Abdominal CT reaching into the chest; this slice is in the chest. Axial slice 266/297. soft-tissue window (W 400 / L 40). 512x512 px
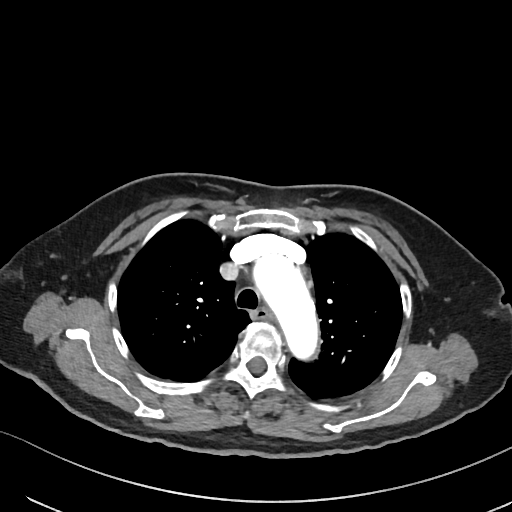 At this level of the chest this dataset labels only the esophagus and the aorta, and each is boxed only where it is labeled; the heart and lungs are never labeled.
Organ boxes in pixel coordinates; each row gives the top-left (x1, y1) and bottom-right (x2, y2) corners.
| organ | x1 | y1 | x2 | y2 |
|---|---|---|---|---|
| esophagus | 252 | 307 | 272 | 319 |
| aorta | 253 | 255 | 318 | 359 |